CT of the abdomen extending into the chest, slice through the chest — axial view — 49-year-old male patient — scan has 15 labeled organs (that count is for the whole scan; organs this slice misses have no box)
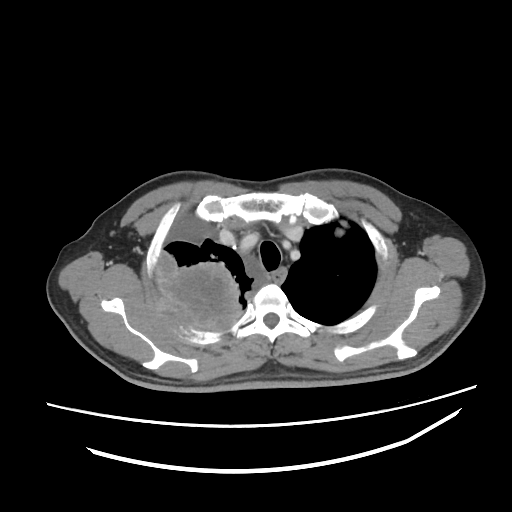
At this level of the chest no structure but the esophagus and the aorta has a label in this dataset, and those two are boxed only where they are labeled. Each box given as x1,y1,x2,y2. 1 labeled organ on this slice — esophagus at x1=271, y1=267, x2=287, y2=285.